Abdominal CT; axial view; soft-tissue window; 512x512 px
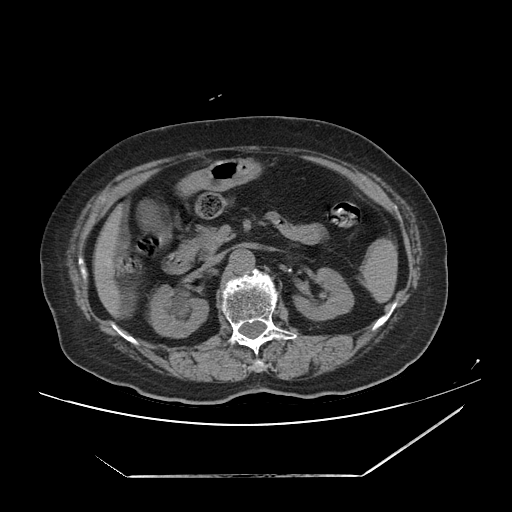 Boxes are (x1, y1, x2, y2) in pixels.
Organ bounding boxes:
- spleen: (360, 239, 398, 304)
- right kidney: (150, 286, 208, 337)
- left kidney: (292, 269, 353, 323)
- gall bladder: (135, 195, 172, 250)
- liver: (92, 198, 142, 322)
- stomach: (174, 156, 266, 197)
- aorta: (230, 250, 255, 275)
- inferior vena cava: (204, 252, 224, 267)
- pancreas: (195, 224, 233, 254)
- duodenum: (169, 206, 197, 273)